Abdominal CT; axial view; W/L 400/40 HU; 512x512 px; SOMATOM Force scanner
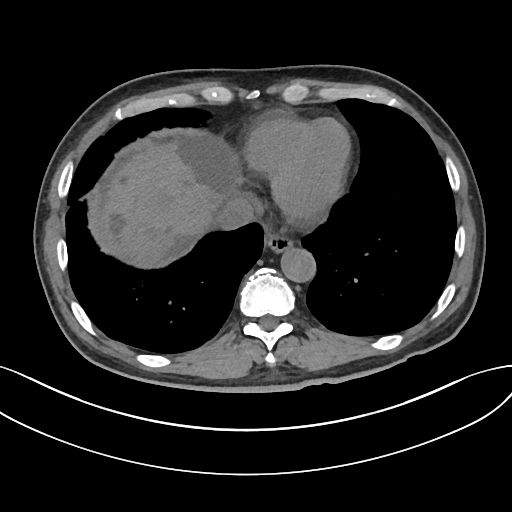
<organs><organ name="esophagus" x1="264" y1="234" x2="293" y2="253"/><organ name="liver" x1="104" y1="140" x2="241" y2="264"/><organ name="aorta" x1="281" y1="248" x2="316" y2="283"/><organ name="inferior vena cava" x1="216" y1="197" x2="254" y2="230"/></organs>